Lower-chest slice from an abdominal CT, just above the liver and spleen · axial view · soft-tissue window, W/L 400/40 · acquired on SOMATOM Force · 15 organs annotated in this scan (counted over the whole 3D scan, not this slice; an organ is boxed only where this slice passes through it)
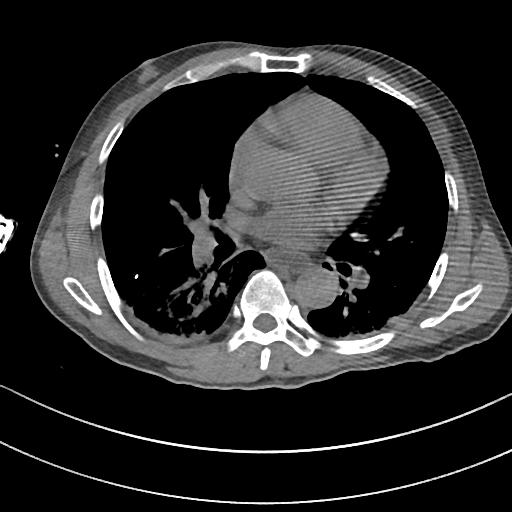

Of the structures in the chest, this dataset labels only the esophagus, the aorta and the inferior vena cava; the heart and lungs have no label.
Box edges are left/top/right/bottom in pixels.
aorta: left=294, top=271, right=337, bottom=307
esophagus: left=266, top=250, right=307, bottom=270